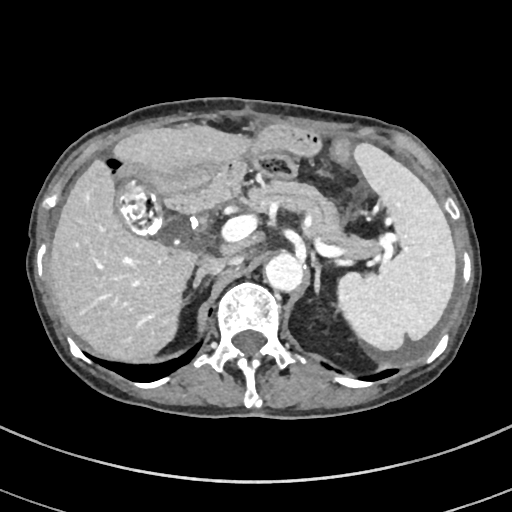 Abdominal CT · Axial slice 141/198 · 512x512 px
<organs><organ name="pancreas" x1="251" y1="181" x2="383" y2="259"/><organ name="spleen" x1="338" y1="143" x2="455" y2="350"/><organ name="inferior vena cava" x1="202" y1="255" x2="240" y2="265"/><organ name="right adrenal gland" x1="192" y1="264" x2="223" y2="288"/><organ name="left adrenal gland" x1="311" y1="259" x2="320" y2="292"/><organ name="gall bladder" x1="114" y1="178" x2="162" y2="234"/><organ name="liver" x1="50" y1="124" x2="250" y2="360"/><organ name="aorta" x1="264" y1="254" x2="304" y2="293"/></organs>